Abdominal MR — coronal acquisition — percentile-normalized
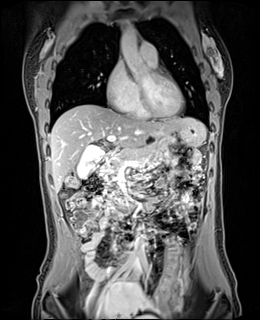
One row per box, in pixels: columns x1 and y1 give the top-left corner, x2 and y2 the bottom-right.
| organ | x1 | y1 | x2 | y2 |
|---|---|---|---|---|
| gall bladder | 77 | 145 | 104 | 178 |
| liver | 50 | 104 | 205 | 192 |
| stomach | 177 | 124 | 203 | 146 |
| aorta | 120 | 28 | 151 | 78 |
| aorta | 134 | 232 | 144 | 250 |
| pancreas | 102 | 146 | 154 | 181 |
| duodenum | 102 | 154 | 111 | 168 |